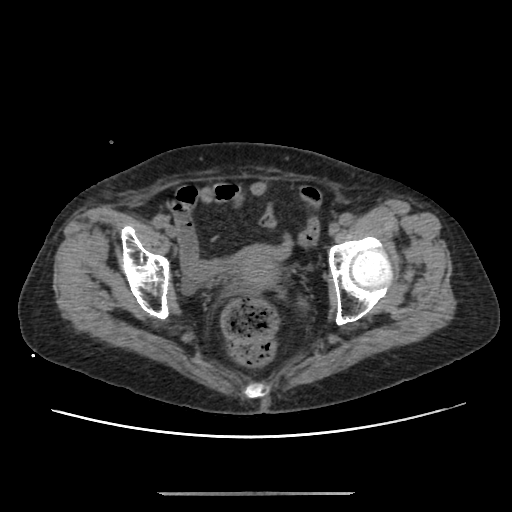

CT, abdomen/pelvis — axial view — W/L 400/40 HU
Organ boxes in pixel coordinates; each row gives the top-left (x1, y1) and bottom-right (x2, y2) corners.
| organ | x1 | y1 | x2 | y2 |
|---|---|---|---|---|
| prostate/uterus | 234 | 247 | 279 | 290 |